Abdominal CT. axial view. W/L 400/40 HU. 512x512 px. acquired on SOMATOM Force
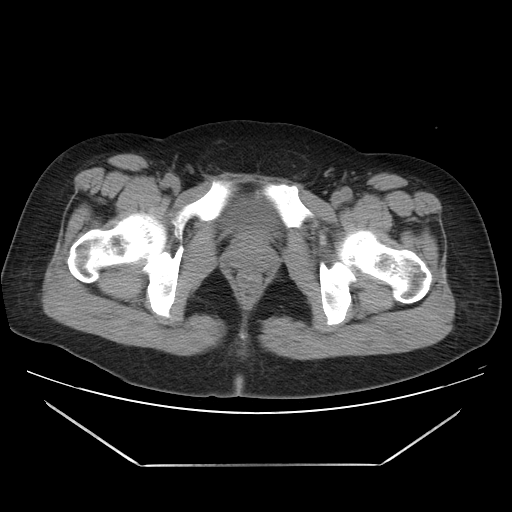 {"organs":{"bladder":[225,198,274,233]}}